Abdominal CT. Axial slice 17/120. 15 organs annotated in this scan (counted over the whole 3D scan, not this slice; an organ is boxed only where this slice passes through it)
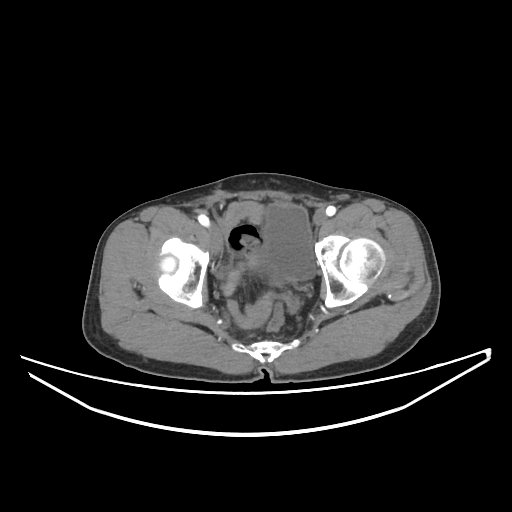 <organs><organ name="bladder" x1="263" y1="203" x2="315" y2="279"/></organs>